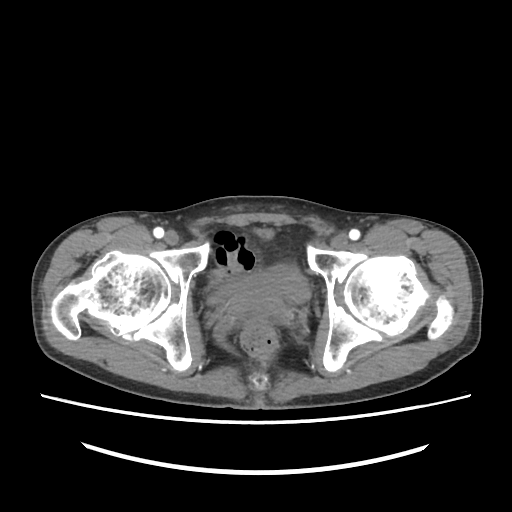

CT abdomen. axial view. soft-tissue window. 512x512 px. Aquilion ONE scanner. 15 organs annotated in this scan (that count is for the whole scan; organs this slice misses have no box)
{"organs":{"bladder":[216,265,310,301],"prostate/uterus":[231,295,284,315]}}